CT of the abdomen extending into the chest, slice through the chest — Axial slice 70/90 — soft-tissue window (W 400 / L 40) — 512x512 px — 51-year-old male patient — 13 organs annotated in this scan (a whole-scan count: organs this slice does not pass through have no box)
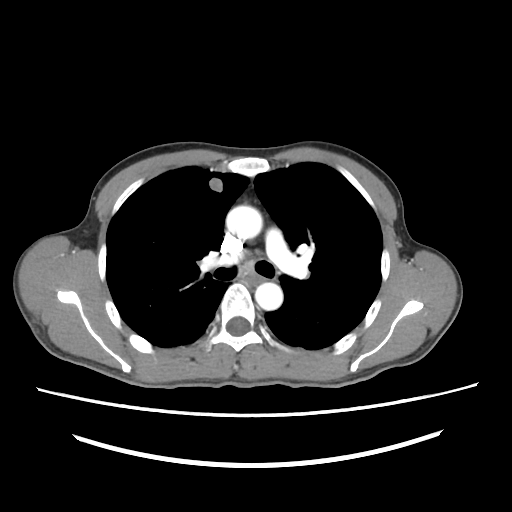
At this level of the chest this dataset labels only the esophagus and the aorta, and each is boxed only where it is labeled; the heart and lungs are never labeled.
Bounding boxes as [x1, y1, x2, y2] in pixel coordinates.
Organ bounding boxes:
- aorta: [227, 206, 261, 237]
- aorta: [255, 282, 282, 310]